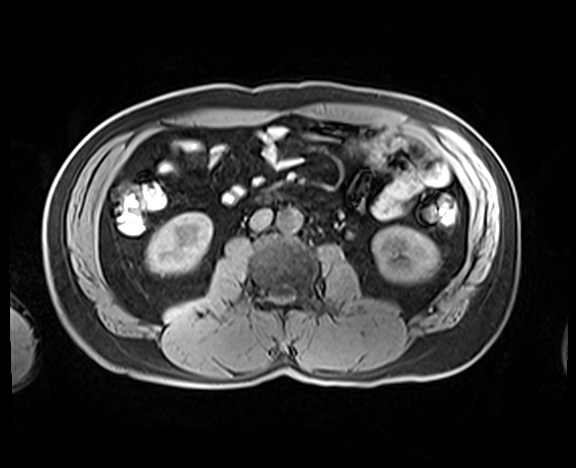

Abdominal MR · axial view · 576x468 px
Organ boxes in pixel coordinates; each row gives the top-left (x1, y1) and bottom-right (x2, y2) corners.
| organ | x1 | y1 | x2 | y2 |
|---|---|---|---|---|
| left kidney | 372 | 226 | 439 | 283 |
| inferior vena cava | 249 | 209 | 271 | 230 |
| aorta | 276 | 209 | 301 | 232 |
| right kidney | 146 | 212 | 212 | 274 |